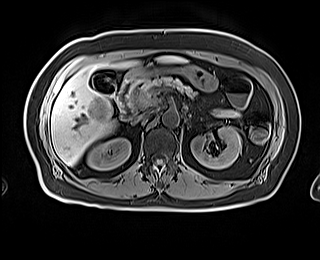

Abdominal MRI · axial plane, index 30 · 320x260 px
<organs><organ name="right kidney" x1="87" y1="138" x2="130" y2="170"/><organ name="left kidney" x1="190" y1="127" x2="241" y2="169"/><organ name="gall bladder" x1="92" y1="73" x2="115" y2="94"/><organ name="liver" x1="51" y1="56" x2="184" y2="165"/><organ name="stomach" x1="125" y1="65" x2="218" y2="259"/><organ name="aorta" x1="162" y1="110" x2="179" y2="126"/><organ name="inferior vena cava" x1="133" y1="111" x2="152" y2="123"/><organ name="pancreas" x1="130" y1="76" x2="194" y2="107"/><organ name="duodenum" x1="117" y1="77" x2="139" y2="120"/></organs>